CT of the abdomen reaching into the lower chest, slice just above the liver and spleen · axial view · 512x512 px
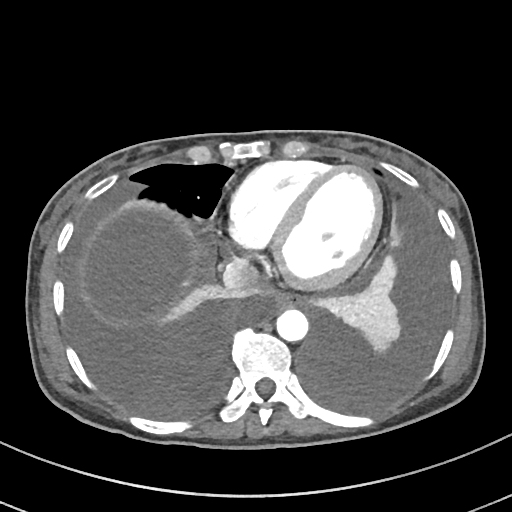
The heart and lungs are never labeled in this dataset, so they have no box on this slice.
<organs><organ name="esophagus" x1="268" y1="288" x2="301" y2="307"/><organ name="aorta" x1="276" y1="308" x2="307" y2="340"/><organ name="inferior vena cava" x1="222" y1="259" x2="259" y2="289"/></organs>